CT of the abdomen reaching into the lower chest, slice just above the liver and spleen. axial plane, index 79. 15 organs annotated in this scan (counted over the whole 3D scan, not this slice; an organ is boxed only where this slice passes through it)
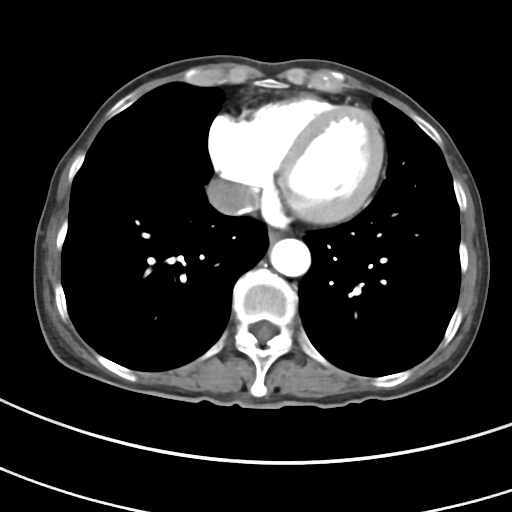 No part of the heart or lungs is labeled in this dataset, so neither has a box here.
One row per box, in pixels: columns x1 and y1 give the top-left corner, x2 and y2 the bottom-right.
| organ | x1 | y1 | x2 | y2 |
|---|---|---|---|---|
| aorta | 270 | 238 | 310 | 276 |
| esophagus | 268 | 231 | 279 | 241 |
| inferior vena cava | 206 | 179 | 256 | 215 |